Abdominal CT — axial plane, index 165
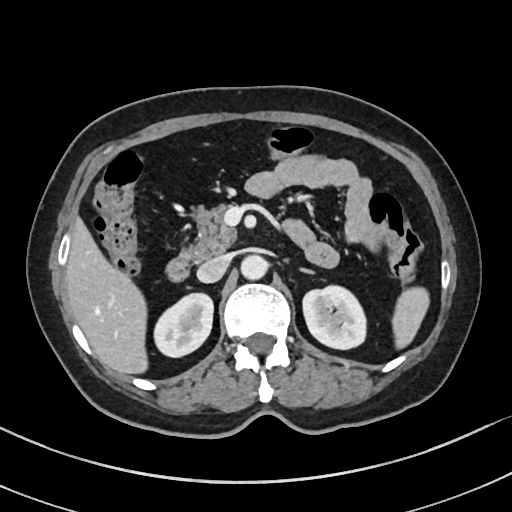
Bounding boxes in pixels, one row per box: x1, y1 is the top-left corner and x2, y2 the bottom-right.
| organ | x1 | y1 | x2 | y2 |
|---|---|---|---|---|
| spleen | 392 | 287 | 429 | 348 |
| right kidney | 154 | 293 | 213 | 357 |
| left kidney | 302 | 285 | 365 | 349 |
| liver | 65 | 217 | 147 | 374 |
| aorta | 241 | 255 | 268 | 280 |
| inferior vena cava | 196 | 255 | 230 | 282 |
| pancreas | 189 | 204 | 236 | 259 |
| left adrenal gland | 302 | 269 | 312 | 273 |
| duodenum | 166 | 248 | 194 | 281 |